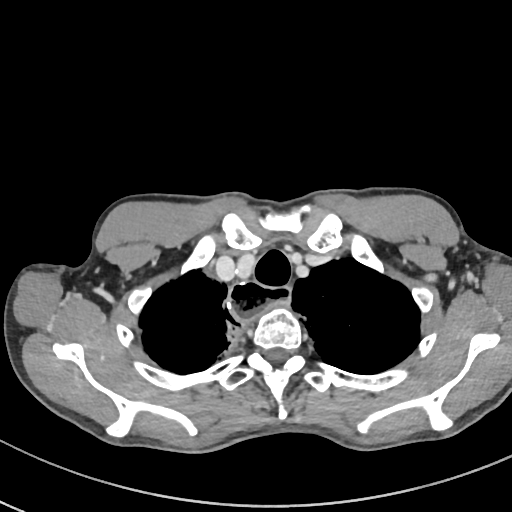 Chest-level CT slice, above the liver and spleen · axial view · soft-tissue window · 15 organs annotated in this scan (that count is for the whole scan; organs this slice misses have no box)
At this level of the chest no structure but the esophagus and the aorta has a label in this dataset, and those two are boxed only where they are labeled.
Organ boxes in pixel coordinates; each row gives the top-left (x1, y1) and bottom-right (x2, y2) corners.
| organ | x1 | y1 | x2 | y2 |
|---|---|---|---|---|
| esophagus | 230 | 279 | 290 | 320 |